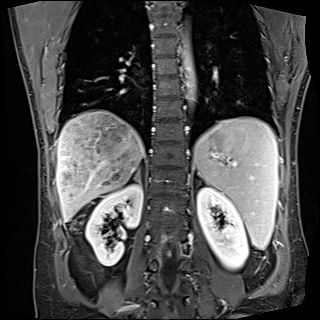 Abdominal MRI · Coronal slice 17/60 · 1st–99th percentile window · 320x320 px
{"organs":{"right adrenal gland":[133,169,140,184],"spleen":[194,117,278,249],"left kidney":[197,187,248,269],"aorta":[181,39,196,104],"liver":[56,109,144,221],"right kidney":[85,183,142,266]}}